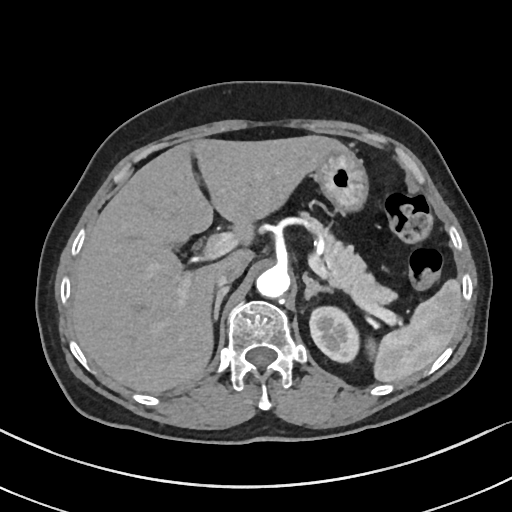
CT, abdomen/pelvis · Axial slice 165/294 · W/L 400/40 HU · 512x512 px · scan has 15 labeled organs (that count is for the whole scan; organs this slice misses have no box)
Boxes are (x1, y1, x2, y2) in pixels. The annotated organs in this slice are: spleen at (368, 280, 461, 383), inferior vena cava at (216, 263, 245, 287), pancreas at (302, 212, 393, 304), liver at (71, 135, 347, 393), left kidney at (310, 307, 359, 360), right adrenal gland at (214, 287, 228, 320), left adrenal gland at (303, 275, 334, 301), aorta at (256, 266, 290, 299), stomach at (314, 149, 369, 209).